CT abdomen — axial view — scan has 15 labeled organs (that count is for the whole scan; organs this slice misses have no box)
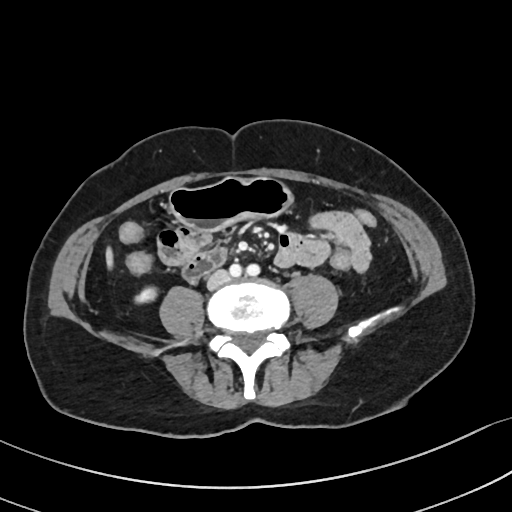
One row per box, in pixels: columns x1 and y1 give the top-left corner, x2 and y2 the bottom-right.
| organ | x1 | y1 | x2 | y2 |
|---|---|---|---|---|
| right kidney | 135 | 287 | 156 | 303 |
| liver | 106 | 248 | 113 | 267 |
| stomach | 168 | 178 | 293 | 232 |
| inferior vena cava | 207 | 270 | 230 | 289 |
| duodenum | 183 | 249 | 227 | 279 |